Abdominal CT reaching into the chest; this slice is in the chest · axial view · 512x512 px
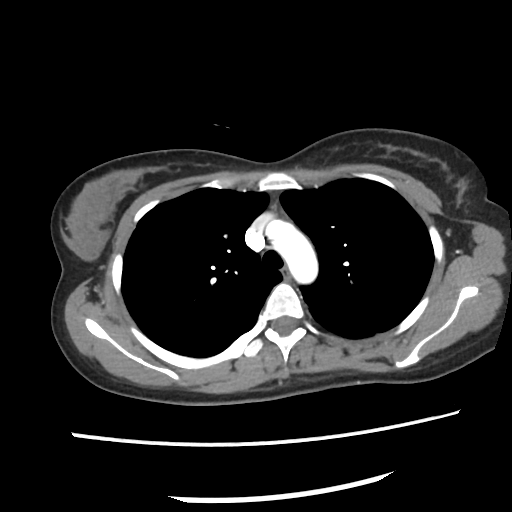

At this level of the chest this dataset labels only the esophagus and the aorta, and each is boxed only where it is labeled; the heart and lungs are never labeled.
{"organs":{"aorta":[264,220,316,285],"esophagus":[281,267,289,281]}}